CT abdomen — axial view
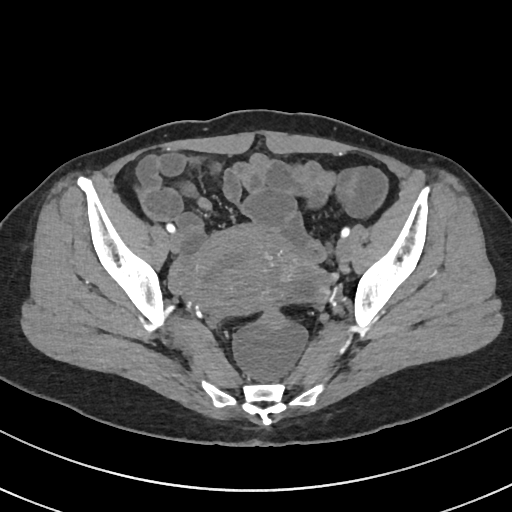

Coordinates as <box>x1,y1,x2,y2</box> in pixels. The annotated organs in this slice are: prostate/uterus at <box>166,224,323,313</box>.